Computed tomography, abdomen; axial view; abdomen soft-tissue window; 768x768 px; 43-year-old female patient
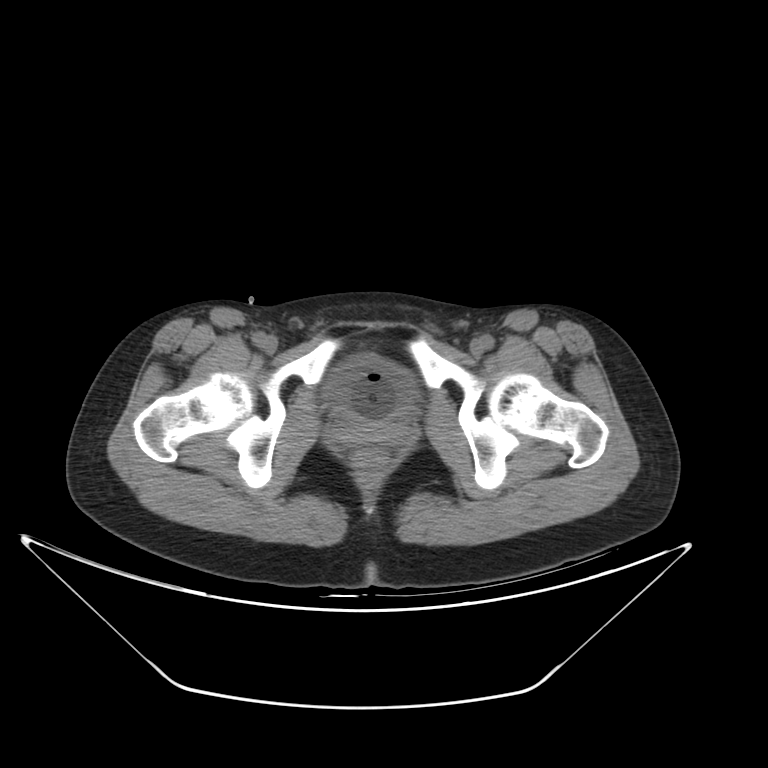 Boxes: x1:y1:x2:y2 in pixels.
bladder: 323:353:416:425